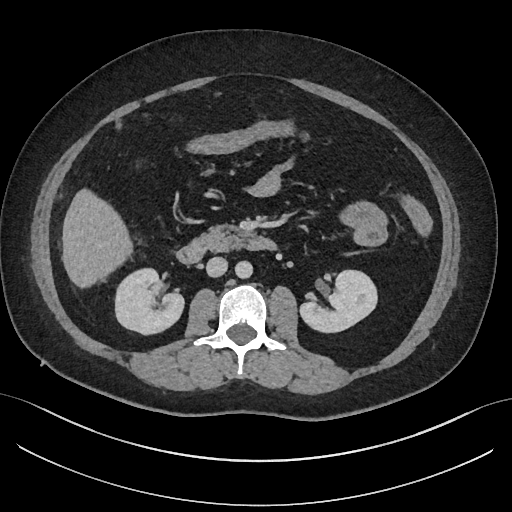
Computed tomography, abdomen — axial view — 512x512 px
Bounding boxes in pixels, one row per box: x1, y1 is the top-left corner and x2, y2 the bottom-right.
| organ | x1 | y1 | x2 | y2 |
|---|---|---|---|---|
| right kidney | 115 | 268 | 183 | 334 |
| left kidney | 300 | 270 | 377 | 332 |
| liver | 62 | 188 | 132 | 288 |
| aorta | 235 | 261 | 252 | 278 |
| inferior vena cava | 206 | 257 | 227 | 277 |
| pancreas | 195 | 225 | 246 | 252 |
| duodenum | 176 | 237 | 276 | 263 |